Computed tomography, abdomen — axial plane, index 52 — 512x512 px
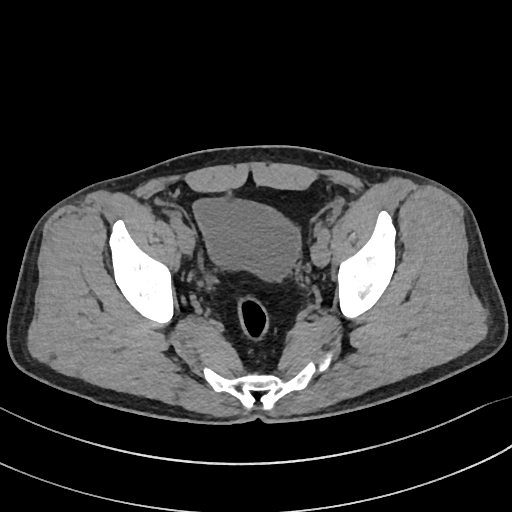

Bounding boxes in pixels, one row per box: x1, y1 is the top-left corner and x2, y2 the bottom-right.
| organ | x1 | y1 | x2 | y2 |
|---|---|---|---|---|
| bladder | 192 | 197 | 302 | 282 |